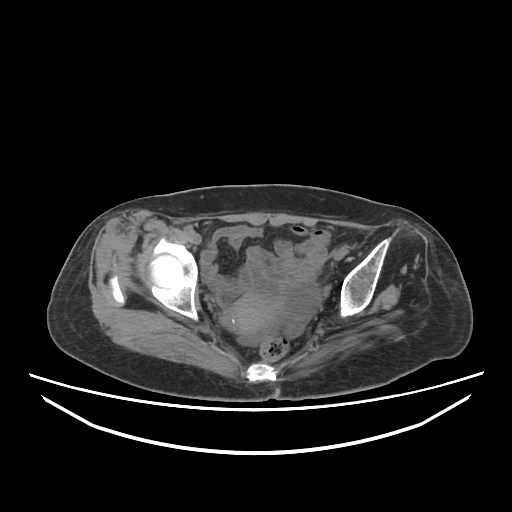 CT, abdomen/pelvis — Axial slice 20/97 — 512x512 px
<organs><organ name="prostate/uterus" x1="231" y1="294" x2="274" y2="335"/></organs>